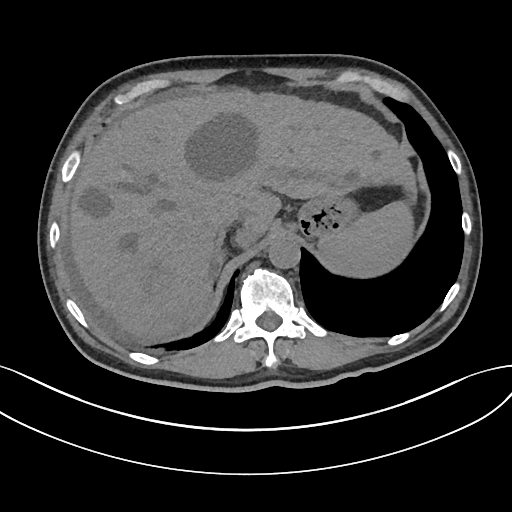 Computed tomography, abdomen · axial plane, index 173 · scan has 15 labeled organs (a whole-scan count: organs this slice does not pass through have no box)
<organs><organ name="spleen" x1="319" y1="201" x2="410" y2="273"/><organ name="liver" x1="70" y1="90" x2="415" y2="341"/><organ name="stomach" x1="296" y1="197" x2="354" y2="237"/><organ name="aorta" x1="268" y1="236" x2="300" y2="269"/><organ name="inferior vena cava" x1="211" y1="207" x2="240" y2="231"/><organ name="right adrenal gland" x1="215" y1="234" x2="224" y2="276"/></organs>